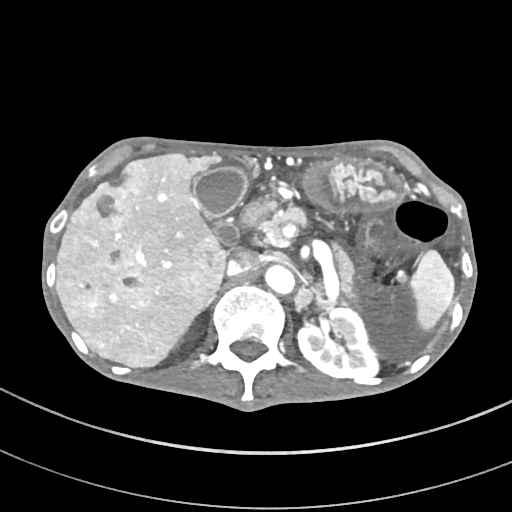

CT, abdomen/pelvis; axial plane, index 150; soft-tissue window (W 400 / L 40); scan has 15 labeled organs (a whole-scan count: organs this slice does not pass through have no box)
Organ boxes in pixel coordinates; each row gives the top-left (x1, y1) and bottom-right (x2, y2) corners.
| organ | x1 | y1 | x2 | y2 |
|---|---|---|---|---|
| aorta | 264 | 263 | 295 | 295 |
| stomach | 303 | 156 | 405 | 211 |
| duodenum | 241 | 198 | 270 | 229 |
| right adrenal gland | 204 | 294 | 217 | 311 |
| gall bladder | 192 | 167 | 248 | 246 |
| inferior vena cava | 226 | 250 | 266 | 276 |
| pancreas | 261 | 207 | 359 | 303 |
| left kidney | 297 | 308 | 378 | 380 |
| left adrenal gland | 295 | 288 | 325 | 311 |
| spleen | 410 | 248 | 455 | 329 |
| liver | 56 | 153 | 227 | 367 |